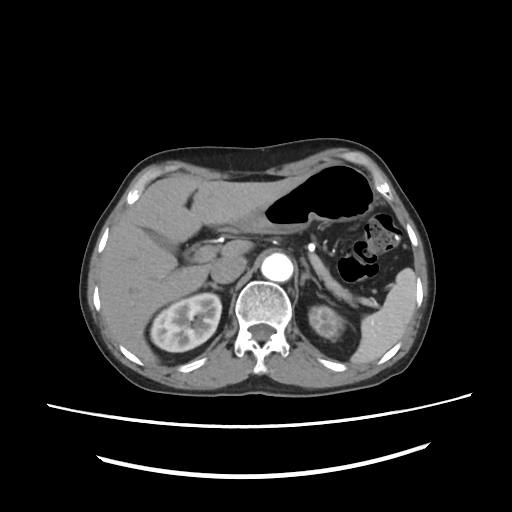

CT abdomen — Axial slice 75/132 — 512x512 px — 67-year-old male patient — acquired on Aquilion ONE
Each box given as x1,y1,x2,y2.
Organ bounding boxes:
- spleen: x1=351, y1=267, x2=415, y2=364
- right kidney: x1=149, y1=292, x2=221, y2=352
- left kidney: x1=308, y1=307, x2=346, y2=339
- gall bladder: x1=144, y1=228, x2=173, y2=249
- liver: x1=99, y1=167, x2=313, y2=364
- stomach: x1=232, y1=164, x2=373, y2=233
- aorta: x1=262, y1=254, x2=292, y2=281
- inferior vena cava: x1=211, y1=257, x2=246, y2=283
- pancreas: x1=321, y1=268, x2=353, y2=304
- right adrenal gland: x1=205, y1=282, x2=221, y2=289
- left adrenal gland: x1=299, y1=257, x2=321, y2=289